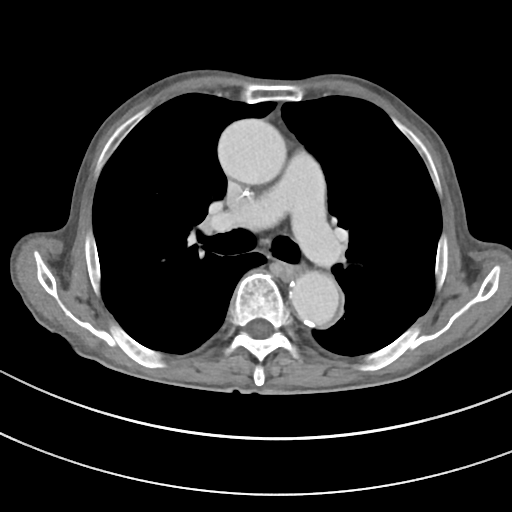

Chest-level slice from an abdominal CT that extends up into the chest. axial view
At this level of the chest this dataset labels only the esophagus and the aorta, and each is boxed only where it is labeled; the heart and lungs are never labeled.
Boxes: x1 y1 x2 y2 (pixel coords, space-separated).
esophagus: 277 263 300 280
aorta: 218 118 286 184
aorta: 289 271 339 326